CT, abdomen/pelvis · axial view · abdomen soft-tissue window · 15 organs annotated in this scan (a whole-scan count: organs this slice does not pass through have no box)
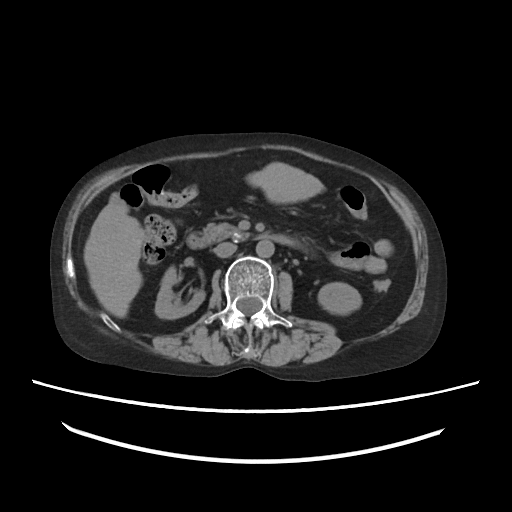

Each box given as x1,y1,x2,y2.
right kidney: x1=155, y1=266, x2=204, y2=319
left kidney: x1=318, y1=282, x2=361, y2=314
liver: x1=83, y1=162, x2=324, y2=317
aorta: x1=256, y1=241, x2=274, y2=257
inferior vena cava: x1=214, y1=242, x2=236, y2=257
pancreas: x1=203, y1=222, x2=247, y2=241
duodenum: x1=186, y1=232, x2=293, y2=248